Abdominal MR · axial view · 1st–99th percentile window
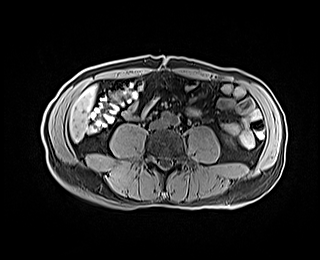

<organs><organ name="left kidney" x1="221" y1="134" x2="233" y2="143"/><organ name="liver" x1="69" y1="85" x2="96" y2="141"/></organs>